CT abdomen — axial view — soft-tissue window (W 400 / L 40) — SOMATOM Force scanner — scan has 15 labeled organs (counted over the whole 3D scan, not this slice; an organ is boxed only where this slice passes through it)
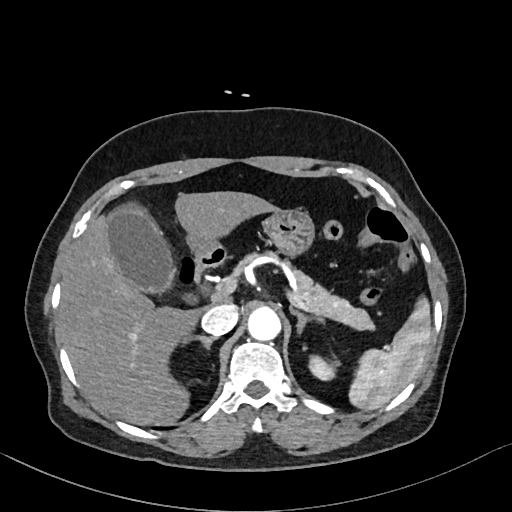 Bounding boxes as [x1, y1, x2, y2] in pixel coordinates.
Organ bounding boxes:
- liver: [60, 191, 279, 425]
- gall bladder: [104, 203, 173, 293]
- aorta: [248, 307, 280, 340]
- inferior vena cava: [201, 304, 238, 336]
- right adrenal gland: [184, 335, 215, 349]
- left kidney: [309, 355, 336, 380]
- pancreas: [234, 250, 374, 330]
- left adrenal gland: [290, 307, 325, 333]
- duodenum: [192, 245, 226, 281]
- spleen: [349, 296, 431, 410]
- stomach: [188, 209, 314, 257]